Abdominal MR — coronal plane, index 33 — 1st–99th percentile window — 320x320 px — Prisma scanner
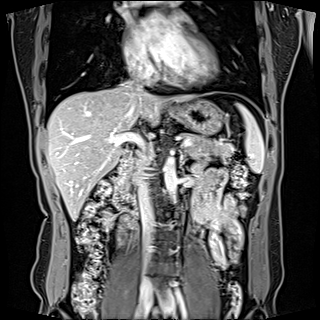 Boxes: x1:y1:x2:y2 in pixels. Labeled organs on this slice: spleen at 238:104:264:172, gall bladder at 124:151:127:154, right kidney at 105:218:111:223, esophagus at 167:106:175:111, duodenum at 113:151:136:212, pancreas at 125:133:233:184, inferior vena cava at 134:154:154:264, inferior vena cava at 126:75:142:91, liver at 46:84:197:221, stomach at 172:99:223:134, aorta at 163:157:177:200.